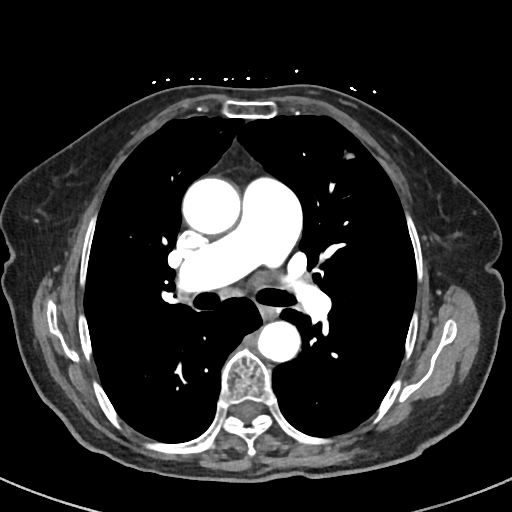 Abdominal CT reaching into the chest; this slice is in the chest; axial view; 512x512 px
On a slice this high in the chest, this dataset labels only the esophagus and the aorta, and each is boxed only where it is labeled; the heart, lungs and other chest structures are not labeled.
{"organs":{"esophagus":[258,305,276,320],"aorta":[[182,177,240,234],[257,321,300,362]]}}